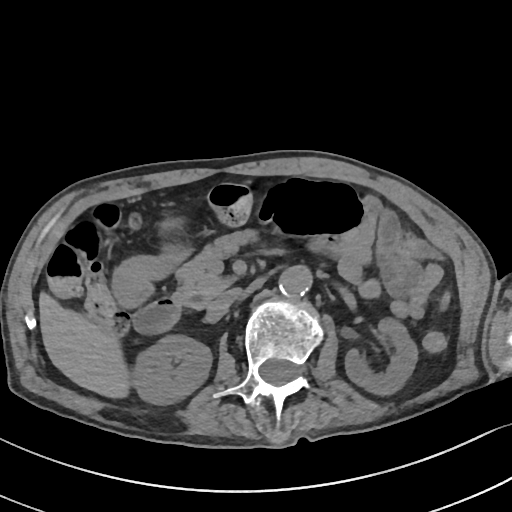
Abdominal CT; axial plane, index 132; abdomen soft-tissue window; 512x512 px
{"organs":{"spleen":[442,296,452,307],"inferior vena cava":[208,287,242,316],"aorta":[279,265,313,296],"duodenum":[131,297,179,334],"pancreas":[171,229,251,310],"stomach":[111,246,185,307],"left kidney":[345,318,416,395],"right kidney":[134,334,212,404],"liver":[39,295,126,397]}}